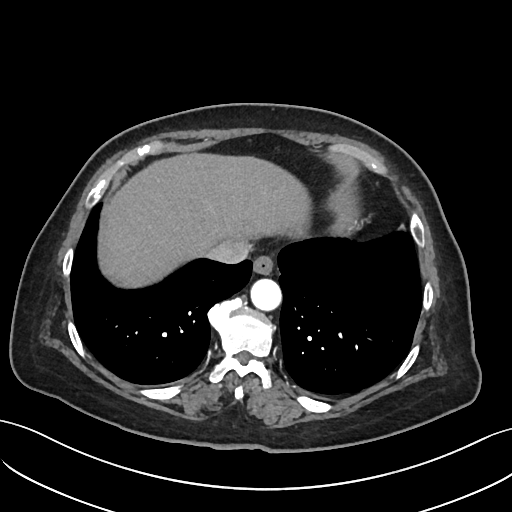
CT, abdomen/pelvis · axial view · soft-tissue window (W 400 / L 40) · SOMATOM Force scanner
Boxes: x1 y1 x2 y2 (pixel coords, space-separated).
esophagus: 253 256 273 275
liver: 105 154 307 285
aorta: 251 279 281 311
inferior vena cava: 207 240 249 264